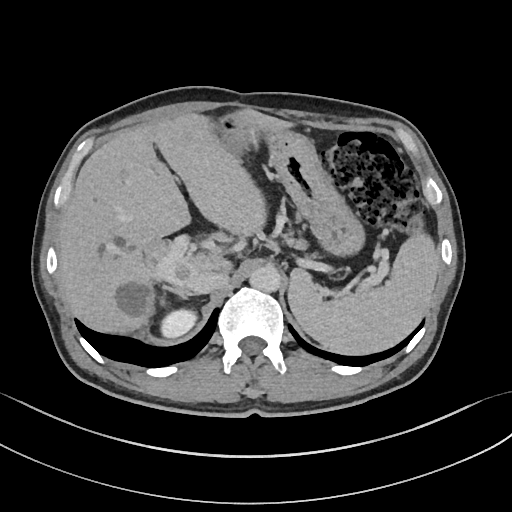 Abdominal CT — axial view — 14 organs annotated in this scan (a whole-scan count: organs this slice does not pass through have no box)
Boxes: x1 y1 x2 y2 (pixel coords, space-separated). The annotated organs in this slice are: spleen at 287 233 439 353, right kidney at 161 311 197 336, liver at 57 108 294 334, stomach at 218 111 364 255, aorta at 249 265 281 293, inferior vena cava at 185 271 227 294, pancreas at 281 232 308 250, right adrenal gland at 160 285 190 305.